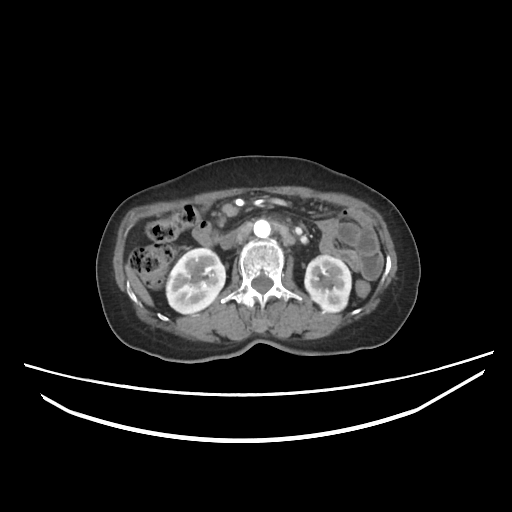 CT abdomen · axial view
{"organs":{"right kidney":[166,247,225,313],"inferior vena cava":[220,229,238,250],"liver":[124,265,153,306],"left kidney":[303,256,352,311],"duodenum":[191,218,214,246],"aorta":[254,221,271,237]}}